Abdominal CT reaching into the chest; this slice is in the chest. axial view
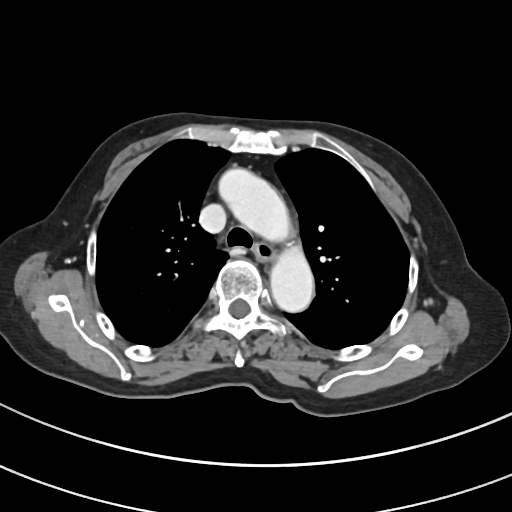

At this level of the chest this dataset labels only the esophagus and the aorta, and each is boxed only where it is labeled; the heart and lungs are never labeled.
<organs><organ name="esophagus" x1="253" y1="243" x2="276" y2="262"/><organ name="aorta" x1="219" y1="168" x2="291" y2="242"/><organ name="aorta" x1="270" y1="244" x2="314" y2="312"/></organs>